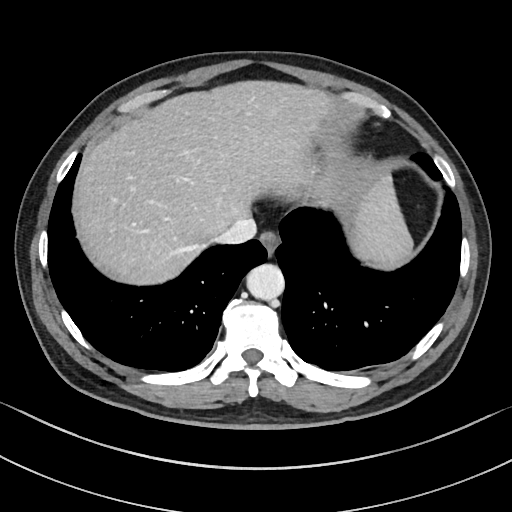

CT, abdomen/pelvis · Axial slice 202/232 · abdomen soft-tissue window
One row per box, in pixels: columns x1 and y1 give the top-left corner, x2 and y2 the bottom-right.
| organ | x1 | y1 | x2 | y2 |
|---|---|---|---|---|
| esophagus | 259 | 229 | 279 | 253 |
| liver | 77 | 82 | 412 | 284 |
| aorta | 246 | 263 | 283 | 300 |
| inferior vena cava | 215 | 219 | 255 | 244 |